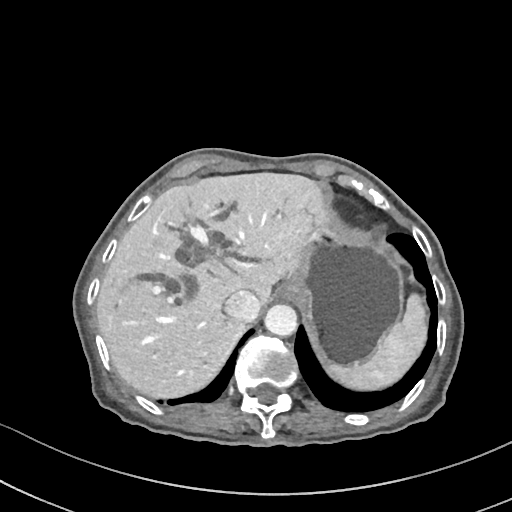
CT abdomen — axial view
Coordinates as <box>x1,y1,x2,y2</box> in pixels. 6 labeled organs on this slice — inferior vena cava at <box>224,290,260,321</box>; liver at <box>96,172,324,398</box>; spleen at <box>327,294,427,390</box>; aorta at <box>264,304,297,336</box>; stomach at <box>287,204,403,365</box>; esophagus at <box>280,286,291,299</box>.